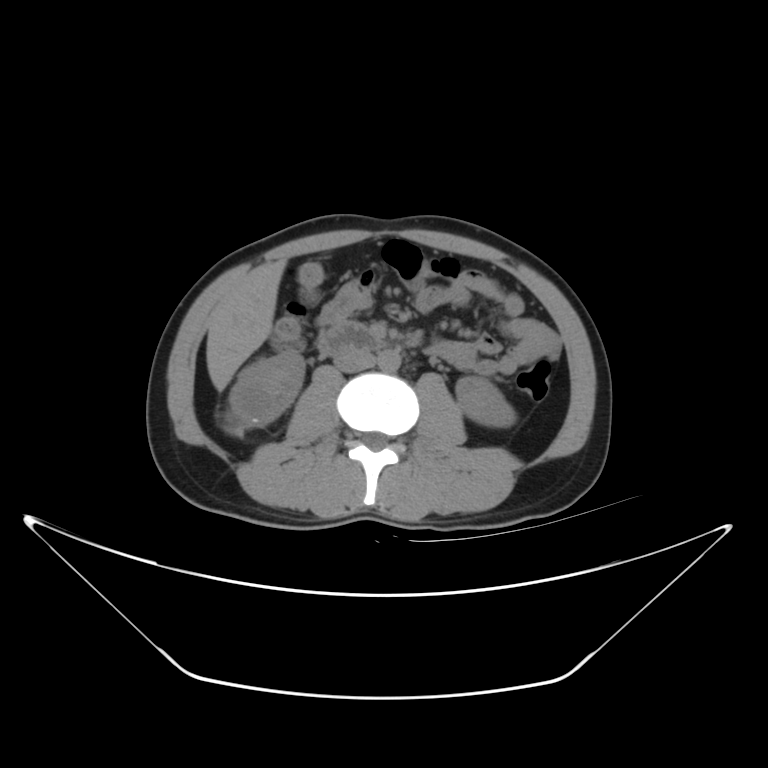 CT, abdomen/pelvis. axial view. 768x768 px. 31-year-old male patient
One row per box, in pixels: columns x1 and y1 give the top-left corner, x2 and y2 the bottom-right.
| organ | x1 | y1 | x2 | y2 |
|---|---|---|---|---|
| inferior vena cava | 332 | 347 | 373 | 370 |
| aorta | 379 | 350 | 402 | 373 |
| liver | 206 | 259 | 286 | 391 |
| right kidney | 230 | 348 | 302 | 426 |
| left kidney | 453 | 375 | 515 | 425 |
| duodenum | 315 | 323 | 383 | 355 |